Chest-level slice from an abdominal CT that extends up into the chest. Axial slice 83/109. soft-tissue window. 512x512 px. Aquilion ONE scanner. scan has 13 labeled organs (a whole-scan count: organs this slice does not pass through have no box)
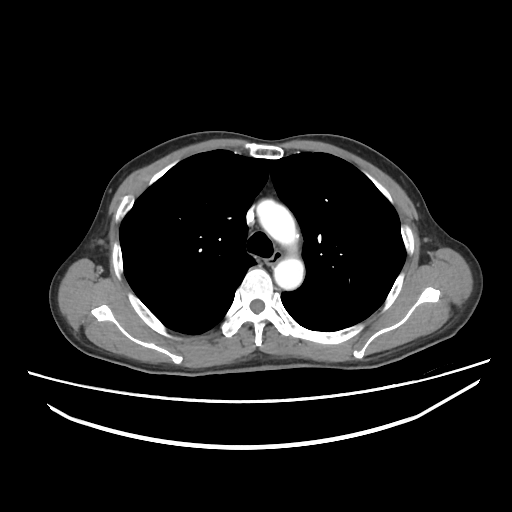 At this level of the chest no structure but the esophagus and the aorta has a label in this dataset, and those two are boxed only where they are labeled.
Organ boxes in pixel coordinates; each row gives the top-left (x1, y1) and bottom-right (x2, y2) corners.
| organ | x1 | y1 | x2 | y2 |
|---|---|---|---|---|
| esophagus | 264 | 252 | 282 | 264 |
| aorta | 256 | 199 | 304 | 289 |